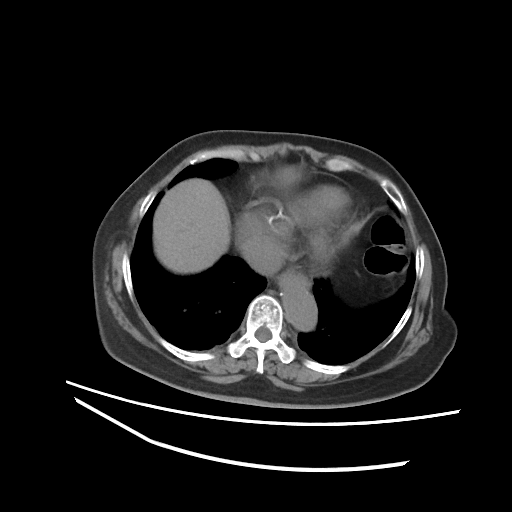

CT, abdomen/pelvis — axial plane, index 79 — Aquilion ONE scanner — scan has 15 labeled organs (counted over the whole 3D scan, not this slice; an organ is boxed only where this slice passes through it)
Boxes are (x1, y1, x2, y2) in pixels.
esophagus: (278, 267, 310, 287)
liver: (153, 167, 296, 273)
aorta: (280, 283, 316, 330)
inferior vena cava: (243, 237, 283, 274)